CT abdomen — axial view — soft-tissue window — acquired on SOMATOM Force
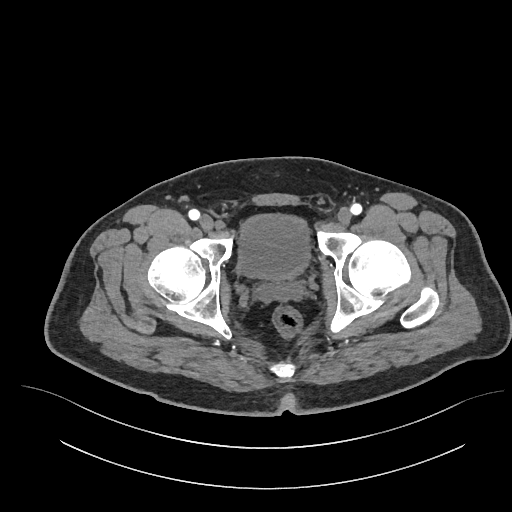
{"organs":{"bladder":[238,215,309,282]}}